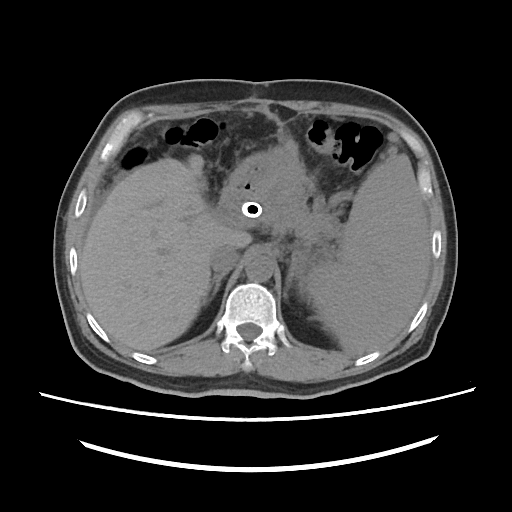

Abdominal CT; axial plane, index 69
Coordinates as <box>x1,y1,x2,y2</box> in pixels.
Organ bounding boxes:
- spleen: <box>302,154,430,351</box>
- liver: <box>80,154,384,351</box>
- stomach: <box>224,145,298,198</box>
- aorta: <box>245,255,273,281</box>
- inferior vena cava: <box>210,243,238,273</box>
- pancreas: <box>258,175,337,237</box>
- right adrenal gland: <box>203,273,226,304</box>
- left adrenal gland: <box>284,256,303,300</box>
- duodenum: <box>221,189,245,205</box>